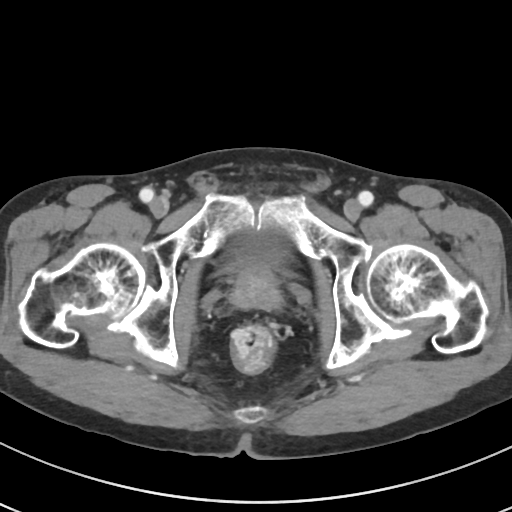 Abdominal CT · axial view · abdomen soft-tissue window · 512x512 px
Each box given as x1,y1,x2,y2.
Organ bounding boxes:
- bladder: x1=234, y1=228, x2=287, y2=268
- prostate/uterus: x1=230, y1=267, x2=279, y2=308